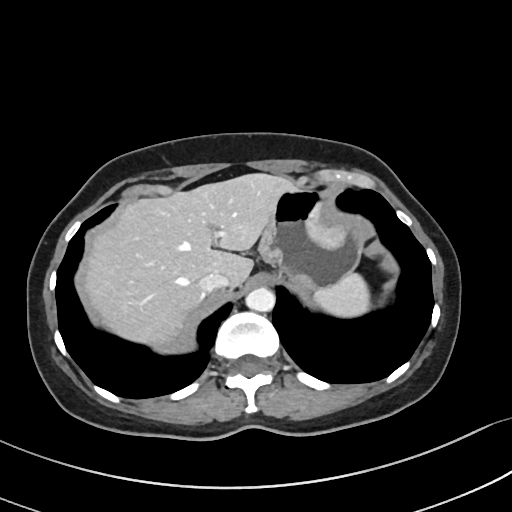
Abdominal CT · axial view · 15 organs annotated in this scan (a whole-scan count: organs this slice does not pass through have no box)
Boxes are (x1, y1, x2, y2) in pixels. 5 labeled organs on this slice — spleen at (313, 272, 370, 317); liver at (80, 173, 293, 342); stomach at (259, 186, 368, 288); aorta at (245, 287, 274, 312); inferior vena cava at (199, 271, 230, 294).